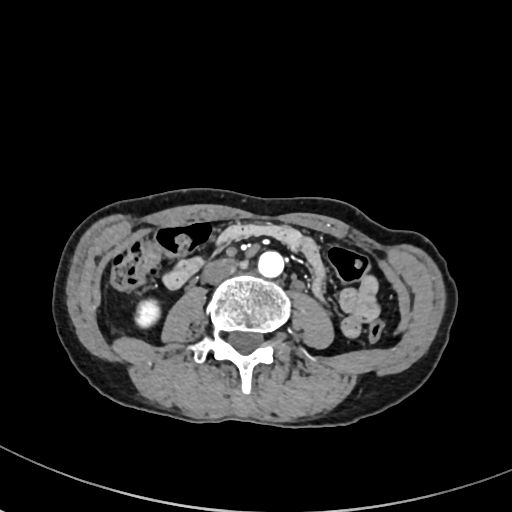 CT abdomen · axial plane, index 116 · abdomen soft-tissue window · 15 organs annotated in this scan (that count is for the whole scan; organs this slice misses have no box)
Coordinates as <box>x1,y1,x2,y2</box> in pixels.
Organ bounding boxes:
- right kidney: <box>135,301,158,325</box>
- inferior vena cava: <box>203,259,236,282</box>
- aorta: <box>257,250,283,277</box>